CT, abdomen/pelvis; axial view; soft-tissue window; 512x512 px
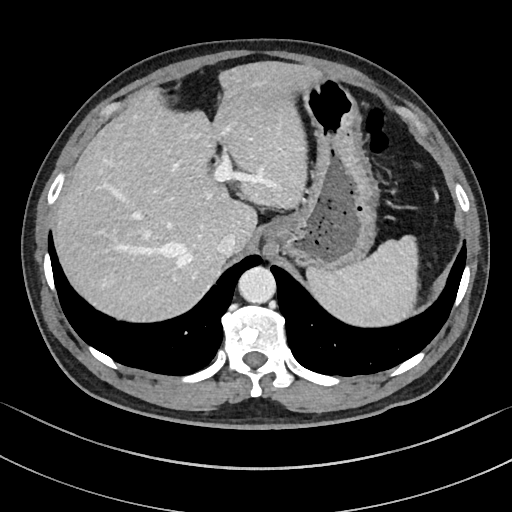 Bounding boxes in pixels, one row per box: x1, y1 is the top-left corner and x2, y2 the bottom-right.
| organ | x1 | y1 | x2 | y2 |
|---|---|---|---|---|
| inferior vena cava | 217 | 233 | 238 | 256 |
| stomach | 261 | 77 | 376 | 266 |
| spleen | 306 | 236 | 417 | 327 |
| aorta | 238 | 266 | 275 | 303 |
| liver | 53 | 62 | 325 | 319 |